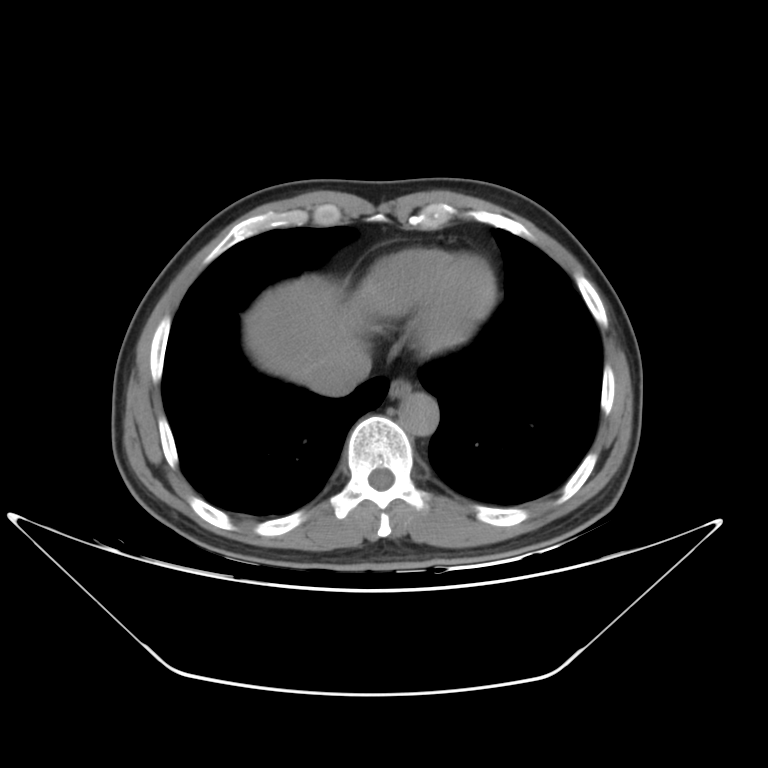
CT abdomen · axial view · Brilliance16 scanner
Bounding boxes in pixels, one row per box: x1, y1 is the top-left corner and x2, y2 the bottom-right.
| organ | x1 | y1 | x2 | y2 |
|---|---|---|---|---|
| esophagus | 390 | 378 | 412 | 397 |
| liver | 247 | 277 | 371 | 386 |
| aorta | 398 | 391 | 438 | 436 |
| inferior vena cava | 316 | 364 | 361 | 397 |